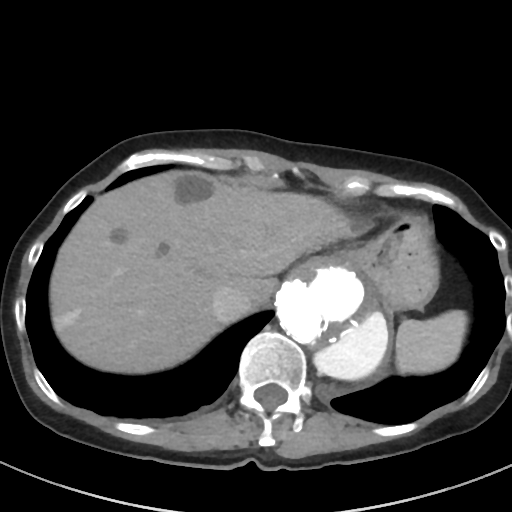
Abdominal CT; axial plane, index 64; W/L 400/40 HU; 512x512 px; 15 organs annotated in this scan (that count is for the whole scan; organs this slice misses have no box)
Each box given as x1,y1,x2,y2.
spleen: x1=396, y1=310, x2=467, y2=373
liver: x1=50, y1=170, x2=354, y2=373
stomach: x1=345, y1=214, x2=438, y2=310
aorta: x1=275, y1=257, x2=391, y2=381
inferior vena cava: x1=212, y1=285, x2=253, y2=321